Abdominal CT · axial plane, index 26 · soft-tissue window (W 400 / L 40)
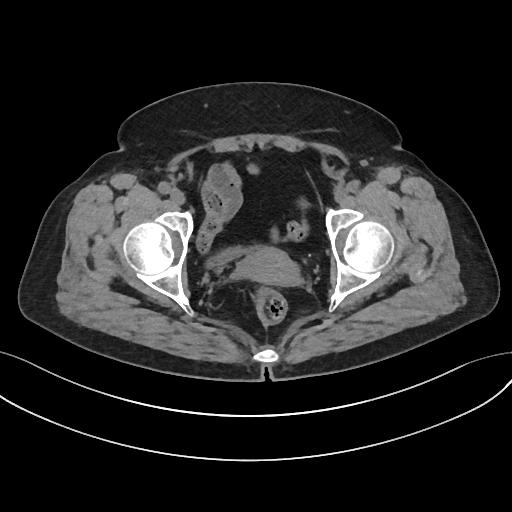
<organs><organ name="bladder" x1="208" y1="246" x2="254" y2="266"/><organ name="prostate/uterus" x1="239" y1="246" x2="297" y2="284"/></organs>